Computed tomography, abdomen. axial view. W/L 400/40 HU. 512x512 px. 66-year-old male patient. Aquilion ONE scanner
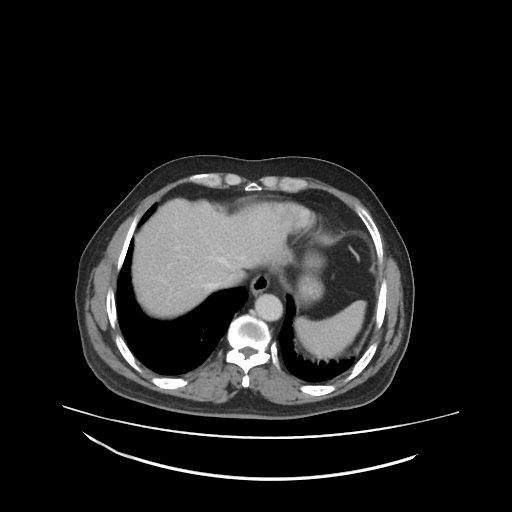 <organs><organ name="spleen" x1="296" y1="300" x2="367" y2="356"/><organ name="esophagus" x1="249" y1="272" x2="269" y2="296"/><organ name="liver" x1="133" y1="198" x2="297" y2="318"/><organ name="stomach" x1="298" y1="259" x2="322" y2="305"/><organ name="aorta" x1="255" y1="293" x2="283" y2="321"/><organ name="inferior vena cava" x1="217" y1="271" x2="236" y2="288"/></organs>